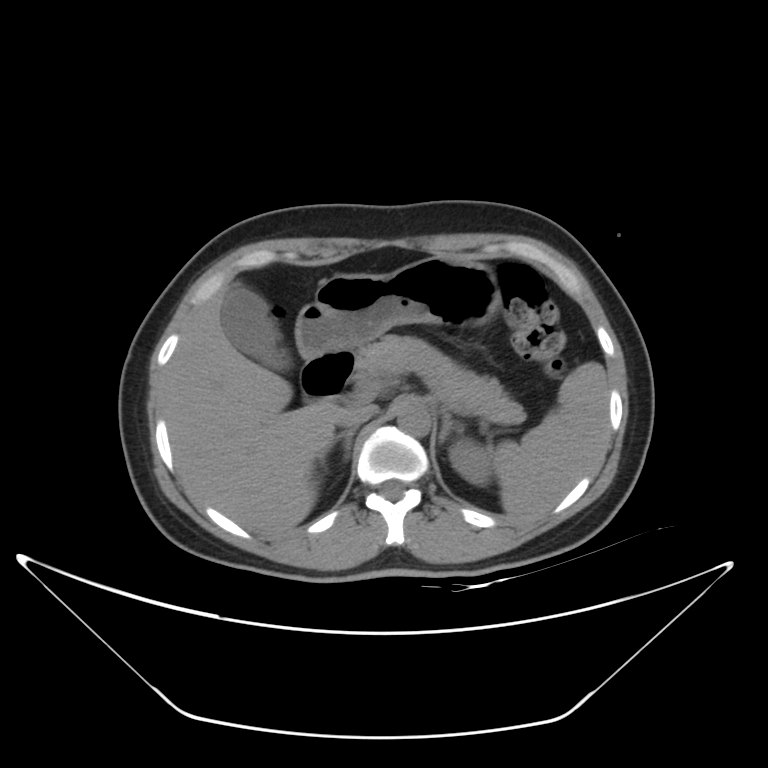 Computed tomography, abdomen · axial view · W/L 400/40 HU · scan has 15 labeled organs (counted over the whole 3D scan, not this slice; an organ is boxed only where this slice passes through it)
Bounding boxes in pixels, one row per box: x1, y1 is the top-left corner and x2, y2 the bottom-right.
| organ | x1 | y1 | x2 | y2 |
|---|---|---|---|---|
| left adrenal gland | 439 | 411 | 464 | 443 |
| pancreas | 354 | 334 | 525 | 423 |
| inferior vena cava | 337 | 405 | 376 | 429 |
| duodenum | 301 | 349 | 355 | 402 |
| right adrenal gland | 329 | 428 | 356 | 461 |
| aorta | 397 | 401 | 430 | 437 |
| stomach | 295 | 256 | 501 | 359 |
| left kidney | 448 | 439 | 493 | 485 |
| gall bladder | 222 | 287 | 283 | 370 |
| liver | 161 | 287 | 344 | 537 |
| spleen | 491 | 361 | 609 | 517 |